CT abdomen. Axial slice 117/225. soft-tissue window (W 400 / L 40)
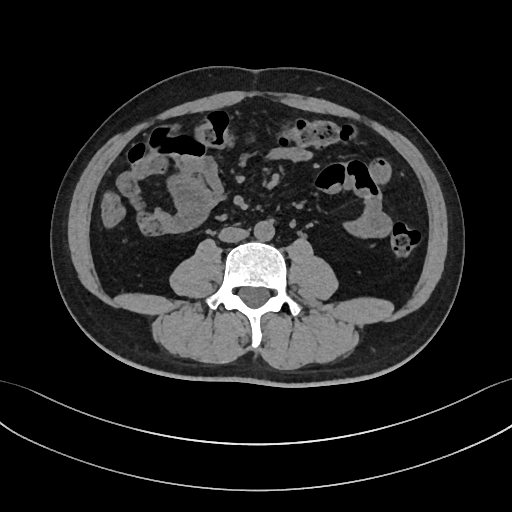 Organ boxes in pixel coordinates; each row gives the top-left (x1, y1) and bottom-right (x2, y2) corners.
| organ | x1 | y1 | x2 | y2 |
|---|---|---|---|---|
| aorta | 253 | 221 | 274 | 241 |
| inferior vena cava | 219 | 226 | 248 | 242 |